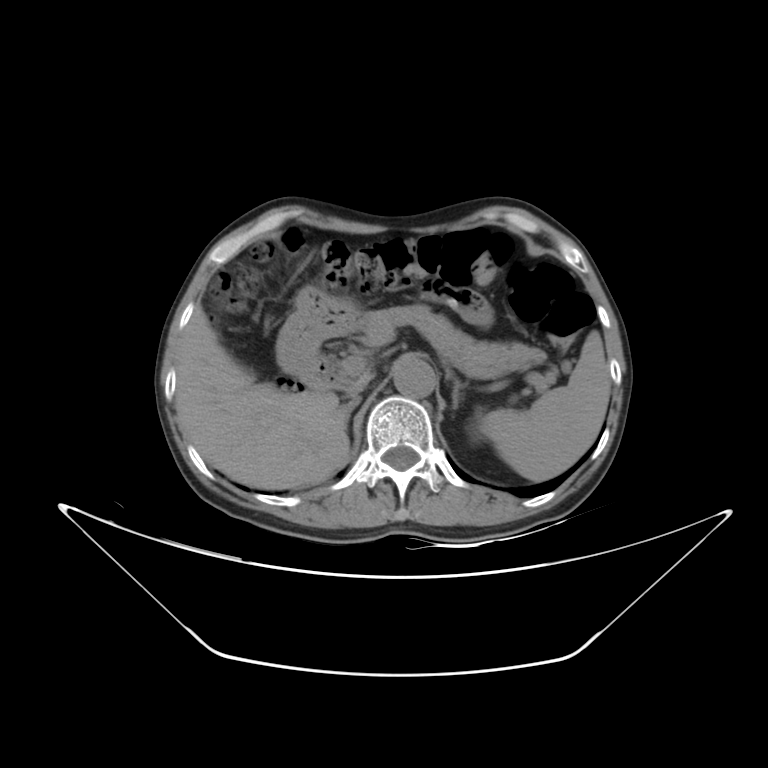

CT abdomen · axial view · W/L 400/40 HU · 768x768 px
Each box given as x1,y1,x2,y2. 10 labeled organs on this slice — spleen at x1=480, y1=330, x2=610, y2=481; left kidney at x1=471, y1=429, x2=477, y2=438; liver at x1=175, y1=306, x2=349, y2=489; stomach at x1=276, y1=286, x2=360, y2=376; aorta at x1=393, y1=357, x2=435, y2=398; inferior vena cava at x1=347, y1=377, x2=368, y2=398; pancreas at x1=356, y1=304, x2=546, y2=368; right adrenal gland at x1=343, y1=396, x2=361, y2=429; left adrenal gland at x1=446, y1=371, x2=462, y2=408; duodenum at x1=299, y1=356, x2=351, y2=389.